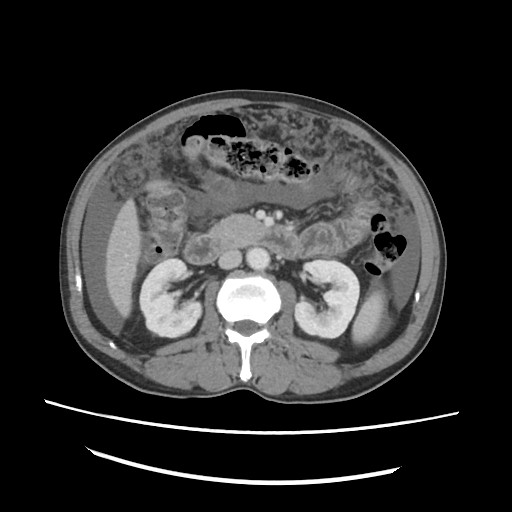 CT, abdomen/pelvis. axial plane, index 46. scan has 15 labeled organs (that count is for the whole scan; organs this slice misses have no box)
{"organs":{"duodenum":[184,228,299,264],"left kidney":[295,260,359,337],"inferior vena cava":[218,249,241,268],"liver":[105,198,141,317],"pancreas":[210,214,262,246],"spleen":[352,290,385,343],"aorta":[246,247,269,269],"right kidney":[139,258,201,337]}}